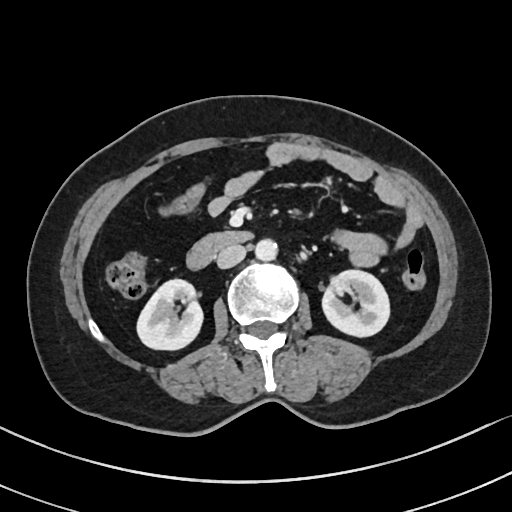

Abdominal CT. axial view. soft-tissue window (W 400 / L 40). acquired on SOMATOM Force
Each box given as x1,y1,x2,y2.
Organ bounding boxes:
- right kidney: x1=137, y1=279, x2=203, y2=349
- left kidney: x1=322, y1=270, x2=389, y2=336
- aorta: x1=255, y1=239, x2=277, y2=260
- inferior vena cava: x1=216, y1=245, x2=246, y2=268
- duodenum: x1=186, y1=231, x2=253, y2=269